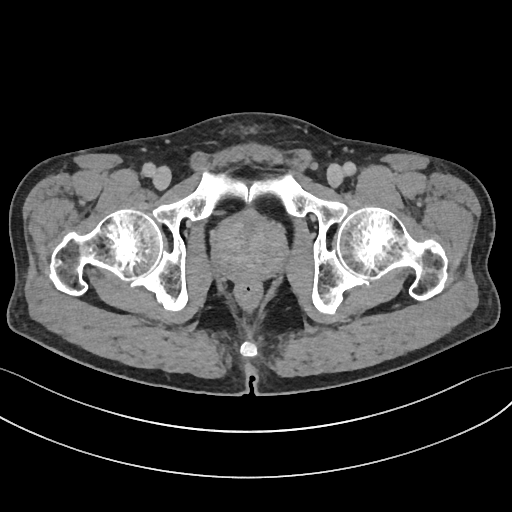

Abdominal CT · axial view · W/L 400/40 HU · 512x512 px
Bounding boxes as [x1, y1, x2, y2] in pixel coordinates.
Organ bounding boxes:
- prostate/uterus: [213, 211, 286, 280]